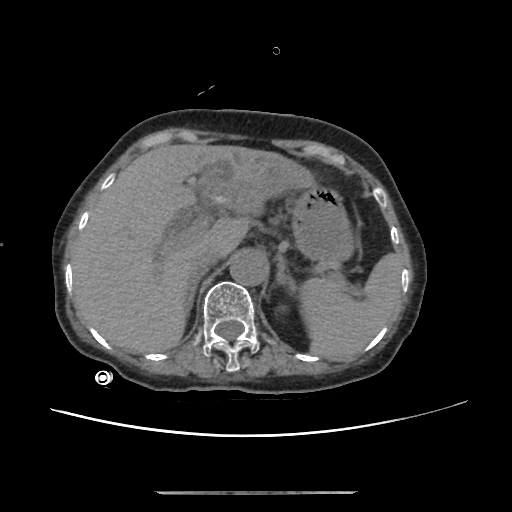
CT, abdomen/pelvis. axial view. SOMATOM Force scanner
Boxes are (x1, y1, x2, y2) in pixels. Labeled organs on this slice: spleen at (299, 252, 402, 360), liver at (71, 143, 317, 351), stomach at (290, 181, 352, 259), aorta at (228, 252, 266, 285), inferior vena cava at (190, 248, 221, 275), right adrenal gland at (184, 275, 201, 314), left adrenal gland at (275, 253, 295, 288).